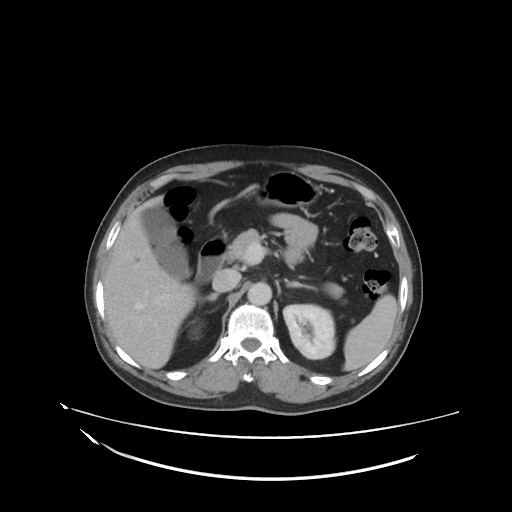
Computed tomography, abdomen · Axial slice 64/116
Boxes: x1 y1 x2 y2 (pixel coords, space-separated).
duodenum: 194 236 223 282
gall bladder: 142 206 189 277
right adrenal gland: 196 293 219 309
left adrenal gland: 285 279 316 289
pancreas: 227 228 344 299
left kidney: 284 305 335 359
aorta: 247 284 271 305
spleen: 344 295 397 370
right kidney: 192 328 198 334
inferior vena cava: 212 269 240 291
liver: 104 195 197 369
stomach: 253 171 321 208